Abdominal CT; axial view; soft-tissue window; acquired on SOMATOM Force
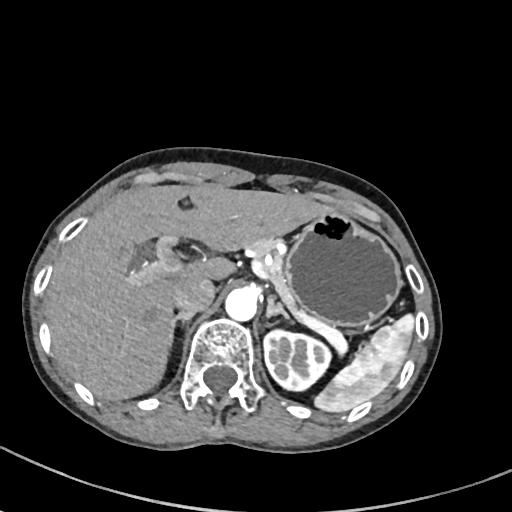 Boxes: x1:y1:x2:y2 in pixels.
Organ bounding boxes:
- spleen: 314:314:413:411
- left kidney: 263:327:331:392
- liver: 48:184:331:399
- stomach: 285:208:400:326
- aorta: 225:286:258:320
- inferior vena cava: 172:277:215:314
- pancreas: 245:237:339:336
- right adrenal gland: 170:313:191:343
- left adrenal gland: 266:295:292:322